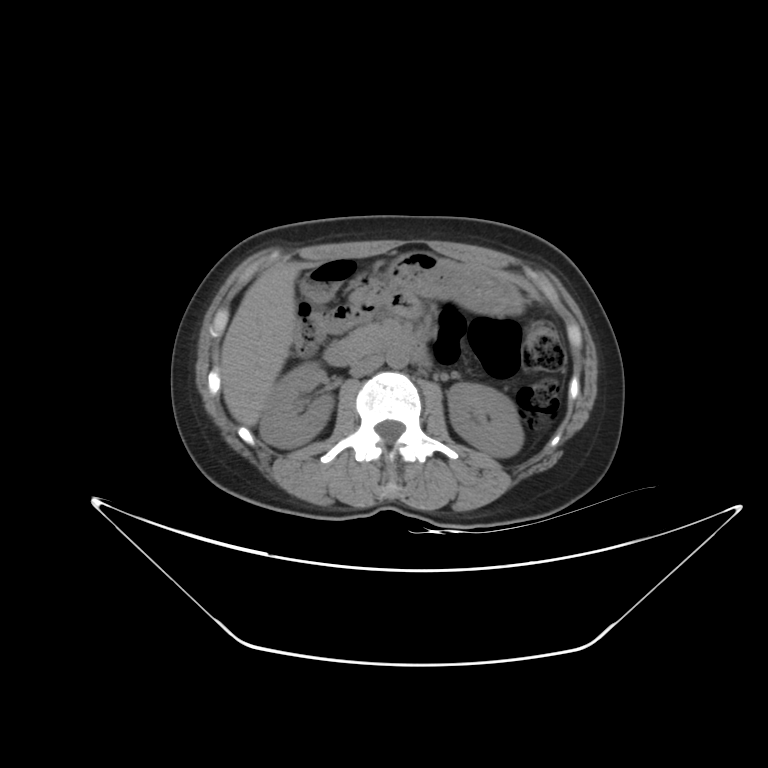 CT, abdomen/pelvis · axial view · soft-tissue window (W 400 / L 40) · 768x768 px · 38-year-old female patient · 15 organs annotated in this scan (a whole-scan count: organs this slice does not pass through have no box)
<organs><organ name="right kidney" x1="260" y1="361" x2="334" y2="448"/><organ name="left kidney" x1="448" y1="382" x2="523" y2="457"/><organ name="liver" x1="221" y1="266" x2="299" y2="426"/><organ name="stomach" x1="389" y1="253" x2="523" y2="315"/><organ name="aorta" x1="386" y1="348" x2="409" y2="368"/><organ name="inferior vena cava" x1="349" y1="354" x2="382" y2="376"/><organ name="pancreas" x1="343" y1="325" x2="392" y2="353"/><organ name="duodenum" x1="324" y1="335" x2="430" y2="365"/></organs>